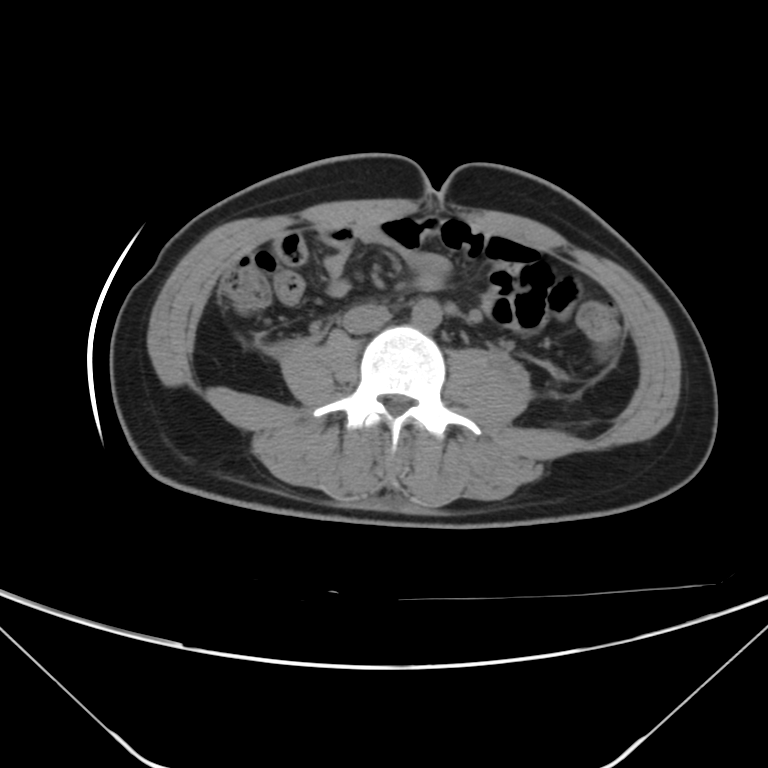
CT abdomen; Axial slice 47/100; 24-year-old male patient; scan has 15 labeled organs (counted over the whole 3D scan, not this slice; an organ is boxed only where this slice passes through it)
Organ boxes in pixel coordinates; each row gives the top-left (x1, y1) and bottom-right (x2, y2) corners.
| organ | x1 | y1 | x2 | y2 |
|---|---|---|---|---|
| aorta | 412 | 298 | 442 | 329 |
| inferior vena cava | 343 | 303 | 390 | 334 |